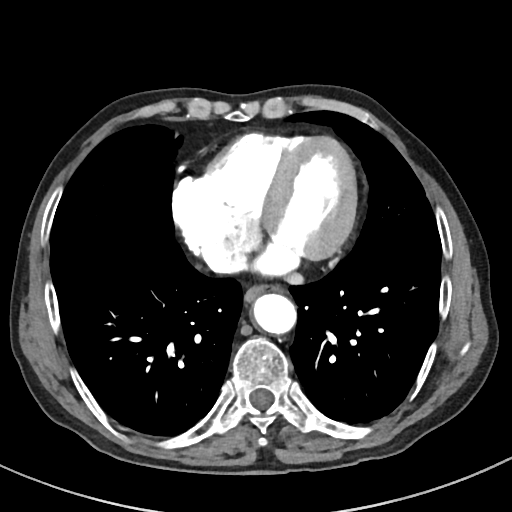

Abdominal CT; this slice is in the lower chest, just above the liver — axial plane, index 216 — scan has 15 labeled organs (that count is for the whole scan; organs this slice misses have no box)
Of the structures in the chest, this dataset labels only the esophagus, the aorta and the inferior vena cava; the heart and lungs have no label.
Bounding boxes as [x1, y1, x2, y2] in pixel coordinates.
esophagus: [244, 285, 282, 302]
aorta: [253, 294, 296, 334]
inferior vena cava: [204, 244, 244, 271]